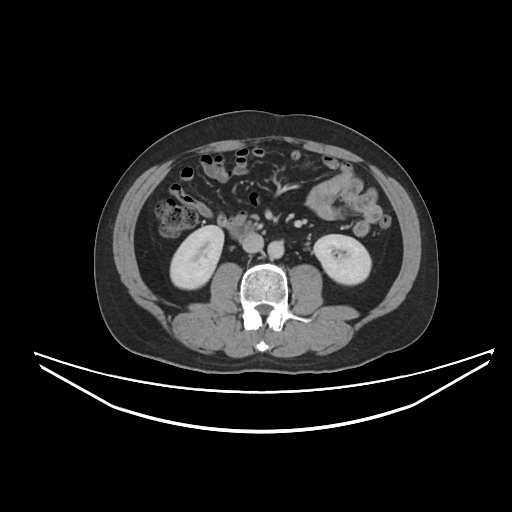

Computed tomography, abdomen; axial plane, index 52; abdomen soft-tissue window; 512x512 px
Boxes: x1 y1 x2 y2 (pixel coords, space-separated).
right kidney: 170 225 223 289
left kidney: 313 234 371 284
aorta: 267 241 284 259
inferior vena cava: 242 232 263 252
duodenum: 230 224 252 238